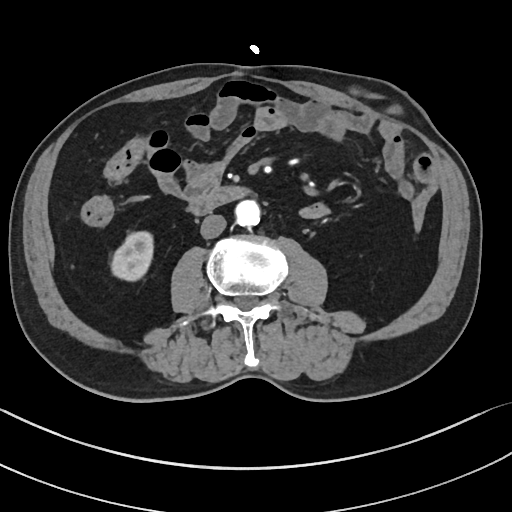
CT, abdomen/pelvis — Axial slice 120/306 — soft-tissue window (W 400 / L 40)
Coordinates as <box>x1,y1,x2,y2</box> in pixels.
right kidney: <box>111,231,153,281</box>
aorta: <box>234,200,260,226</box>
inferior vena cava: <box>200,214,226,238</box>
duodenum: <box>190,186,250,214</box>